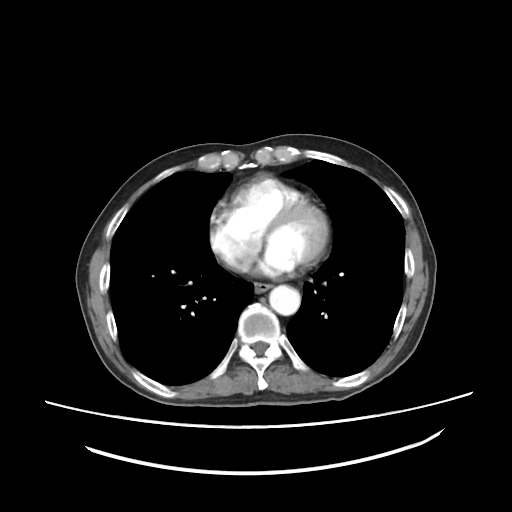 Abdominal CT reaching into the chest; this slice is in the chest · axial plane, index 92 · soft-tissue window (W 400 / L 40)
At this level of the chest no structure but the esophagus and the aorta has a label in this dataset, and those two are boxed only where they are labeled.
Organ boxes in pixel coordinates; each row gives the top-left (x1, y1) and bottom-right (x2, y2) corners.
| organ | x1 | y1 | x2 | y2 |
|---|---|---|---|---|
| esophagus | 254 | 283 | 270 | 292 |
| aorta | 269 | 285 | 300 | 315 |